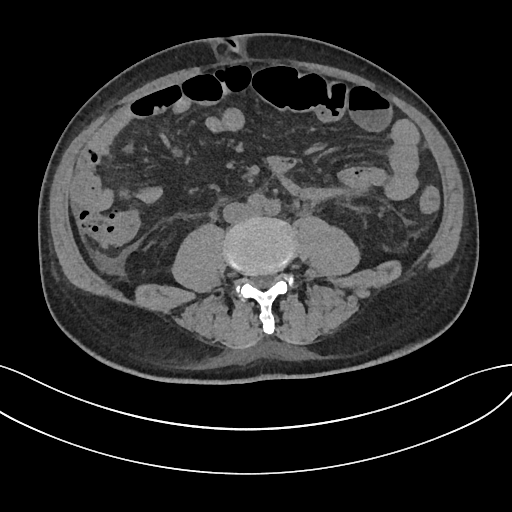

CT abdomen. axial view. W/L 400/40 HU. 15 organs annotated in this scan (a whole-scan count: organs this slice does not pass through have no box)
Bounding boxes in pixels, one row per box: x1, y1 is the top-left corner and x2, y2 the bottom-right.
| organ | x1 | y1 | x2 | y2 |
|---|---|---|---|---|
| inferior vena cava | 223 | 202 | 253 | 222 |